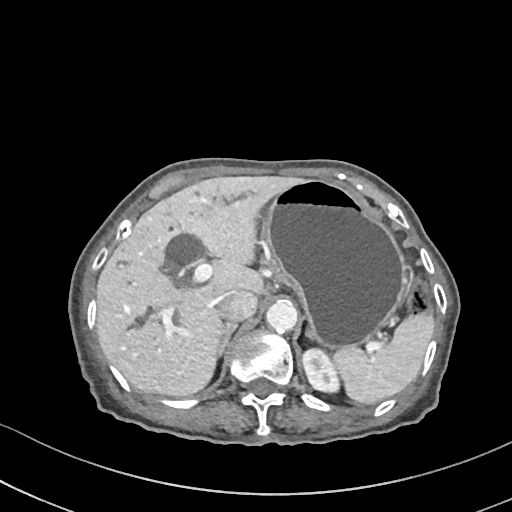 Abdominal CT — axial view — abdomen soft-tissue window — scan has 15 labeled organs (a whole-scan count: organs this slice does not pass through have no box)
{"organs":{"spleen":[334,314,433,404],"left kidney":[301,346,342,394],"liver":[96,177,298,396],"stomach":[265,179,406,347],"aorta":[266,301,296,332],"inferior vena cava":[216,290,257,322],"right adrenal gland":[214,323,237,360],"left adrenal gland":[305,327,315,341]}}